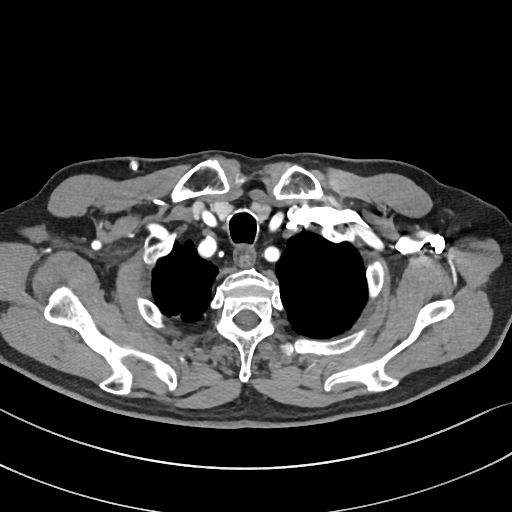
CT of the abdomen extending into the chest, slice through the chest — Axial slice 295/306 — 512x512 px — SOMATOM Force scanner
At this level of the chest this dataset labels only the esophagus and the aorta, and each is boxed only where it is labeled; the heart and lungs are never labeled.
Boxes are (x1, y1, x2, y2) in pixels.
Organ bounding boxes:
- esophagus: (232, 246, 254, 267)